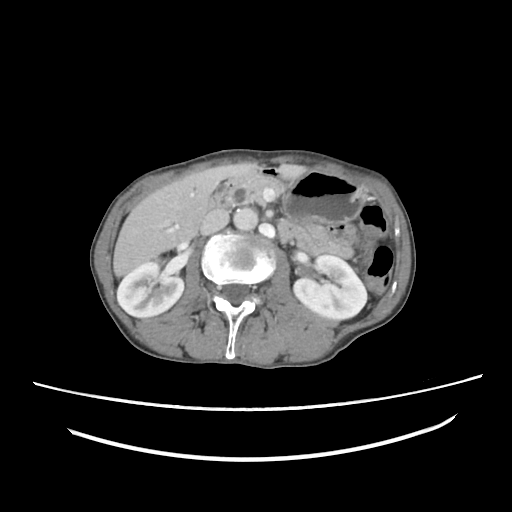
Computed tomography, abdomen; Axial slice 54/79; 512x512 px; Aquilion ONE scanner; 15 organs annotated in this scan (a whole-scan count: organs this slice does not pass through have no box)
Bounding boxes in pixels, one row per box: x1, y1 is the top-left corner and x2, y2 the bottom-right.
| organ | x1 | y1 | x2 | y2 |
|---|---|---|---|---|
| right kidney | 117 | 260 | 183 | 317 |
| left kidney | 293 | 255 | 367 | 319 |
| liver | 113 | 163 | 306 | 277 |
| stomach | 261 | 168 | 366 | 223 |
| aorta | 233 | 207 | 258 | 230 |
| inferior vena cava | 200 | 209 | 229 | 234 |
| pancreas | 235 | 171 | 283 | 204 |
| duodenum | 206 | 178 | 245 | 209 |